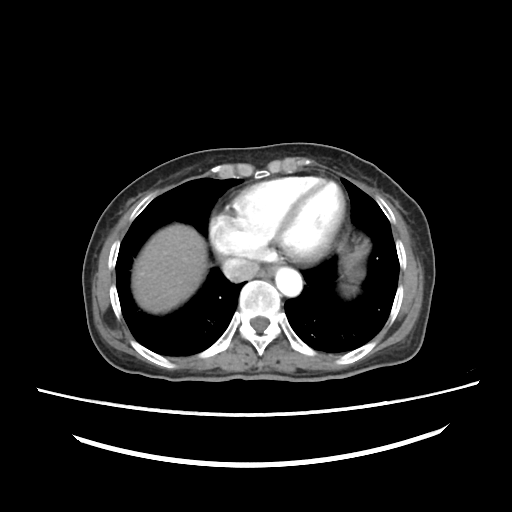
CT, abdomen/pelvis. axial view. soft-tissue window. 512x512 px
Bounding boxes as [x1, y1, x2, y2] in pixel coordinates.
Organ bounding boxes:
- esophagus: [259, 267, 273, 277]
- liver: [132, 224, 204, 314]
- stomach: [343, 240, 367, 279]
- inferior vena cava: [222, 257, 260, 281]
- aorta: [274, 267, 302, 296]